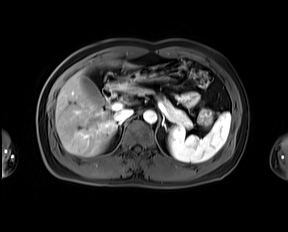

Abdominal MR — axial view — percentile-normalized — 288x232 px — scan has 13 labeled organs (counted over the whole 3D scan, not this slice; an organ is boxed only where this slice passes through it)
<organs><organ name="spleen" x1="168" y1="112" x2="230" y2="162"/><organ name="gall bladder" x1="81" y1="76" x2="104" y2="105"/><organ name="liver" x1="55" y1="63" x2="135" y2="156"/><organ name="stomach" x1="110" y1="61" x2="184" y2="90"/><organ name="aorta" x1="143" y1="110" x2="156" y2="123"/><organ name="inferior vena cava" x1="114" y1="109" x2="133" y2="122"/><organ name="pancreas" x1="130" y1="87" x2="192" y2="127"/><organ name="right adrenal gland" x1="116" y1="123" x2="120" y2="130"/><organ name="left adrenal gland" x1="162" y1="116" x2="167" y2="130"/><organ name="duodenum" x1="102" y1="84" x2="116" y2="100"/></organs>